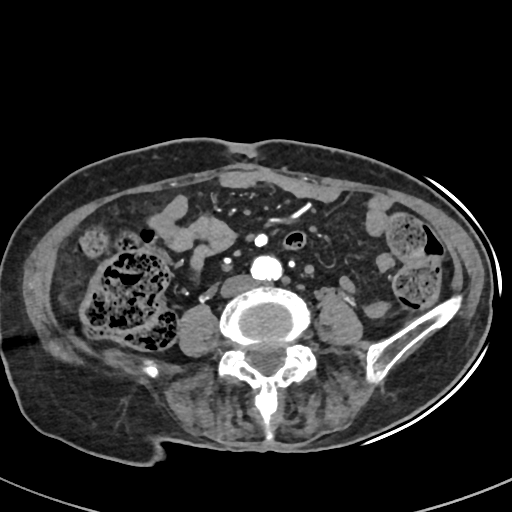

Abdominal CT. axial plane, index 95. abdomen soft-tissue window. 512x512 px. 15 organs annotated in this scan (counted over the whole 3D scan, not this slice; an organ is boxed only where this slice passes through it)
Organ boxes in pixel coordinates; each row gives the top-left (x1, y1) and bottom-right (x2, y2) corners.
| organ | x1 | y1 | x2 | y2 |
|---|---|---|---|---|
| aorta | 251 | 256 | 282 | 280 |
| inferior vena cava | 221 | 275 | 253 | 296 |